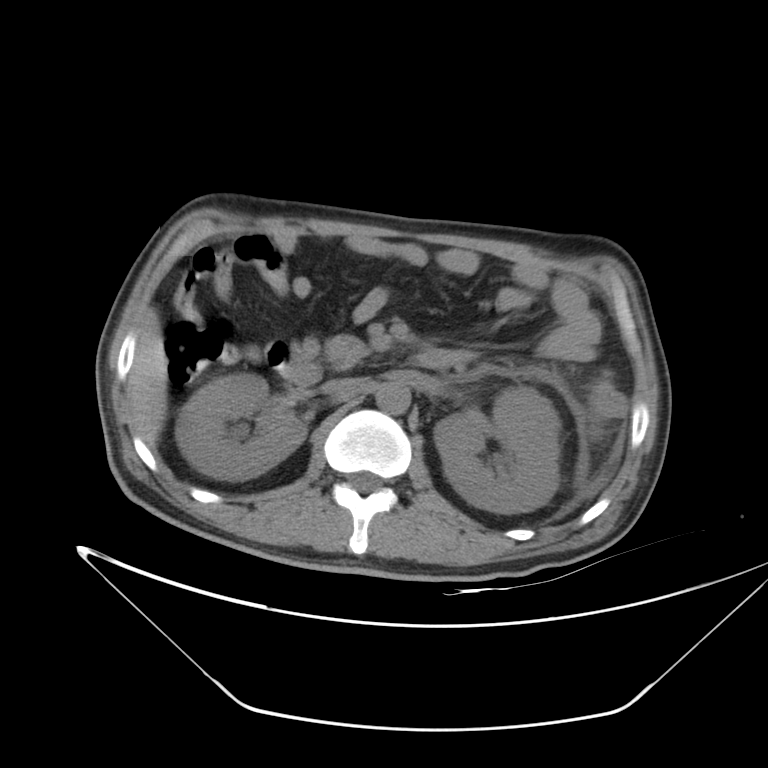 CT, abdomen/pelvis. Axial slice 70/107. 15 organs annotated in this scan (counted over the whole 3D scan, not this slice; an organ is boxed only where this slice passes through it)
Boxes: x1:y1:x2:y2 in pixels.
duodenum: 281:350:456:386
right kidney: 176:374:306:480
left kidney: 433:386:561:514
aorta: 375:381:410:414
pancreas: 326:335:369:369
liver: 129:311:167:445
inferior vena cava: 320:378:356:393